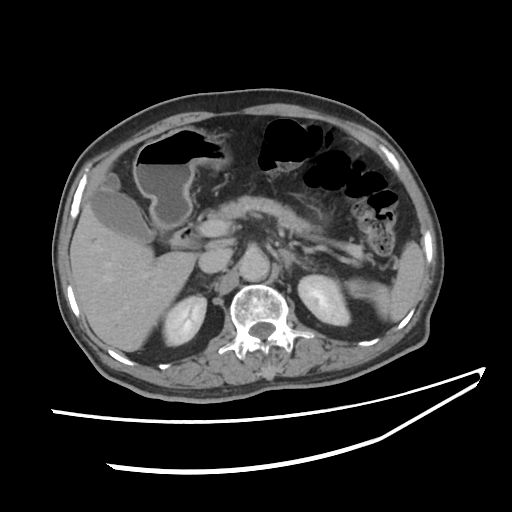 CT, abdomen/pelvis · axial view · W/L 400/40 HU · 83-year-old male patient · scan has 15 labeled organs (that count is for the whole scan; organs this slice misses have no box)
{"organs":{"pancreas":[207,196,373,262],"gall bladder":[92,173,157,241],"spleen":[347,242,424,322],"aorta":[239,250,269,281],"liver":[71,171,194,350],"duodenum":[168,226,203,247],"inferior vena cava":[199,246,231,272],"left adrenal gland":[280,250,309,270],"left kidney":[297,275,350,325],"right kidney":[163,296,206,345],"stomach":[134,127,325,231]}}